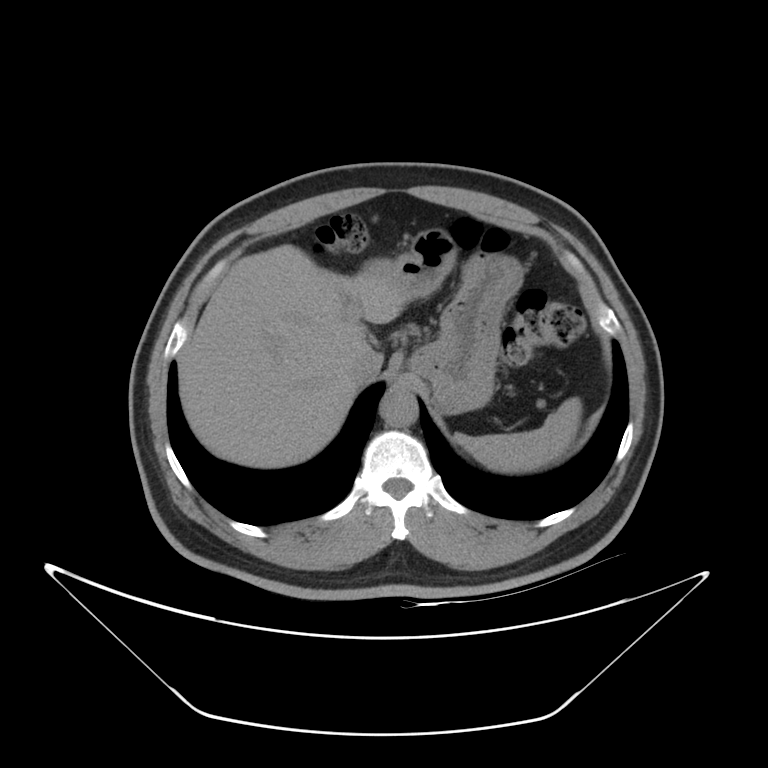 Computed tomography, abdomen — axial view
Bounding boxes in pixels, one row per box: x1, y1 is the top-left corner and x2, y2 the bottom-right.
| organ | x1 | y1 | x2 | y2 |
|---|---|---|---|---|
| spleen | 455 | 396 | 581 | 473 |
| liver | 178 | 244 | 404 | 468 |
| stomach | 360 | 229 | 524 | 414 |
| aorta | 379 | 386 | 418 | 427 |
| inferior vena cava | 347 | 348 | 382 | 384 |